CT abdomen — axial view — 15 organs annotated in this scan (a whole-scan count: organs this slice does not pass through have no box)
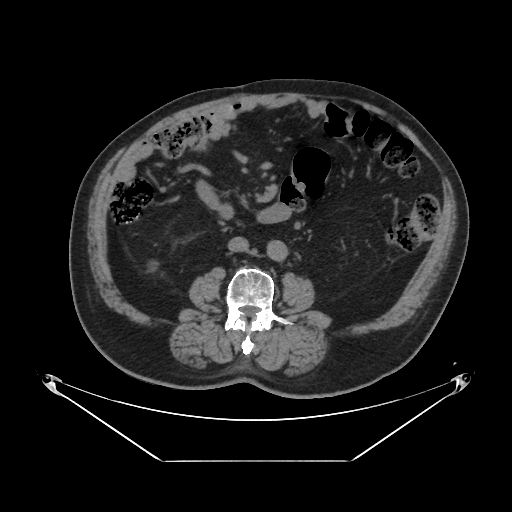
{"organs":{"aorta":[266,240,287,260],"inferior vena cava":[228,236,249,251],"duodenum":[220,205,230,215]}}